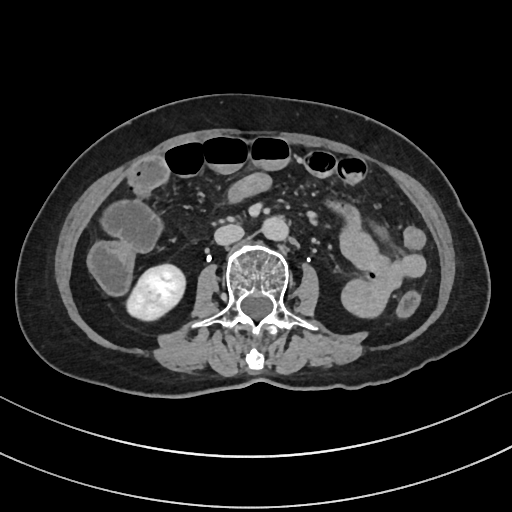 CT abdomen · axial view · soft-tissue window · 512x512 px
Boxes: x1:y1:x2:y2 in pixels.
Organ bounding boxes:
- right kidney: 127:263:185:320
- aorta: 264:217:289:242
- inferior vena cava: 215:225:244:245